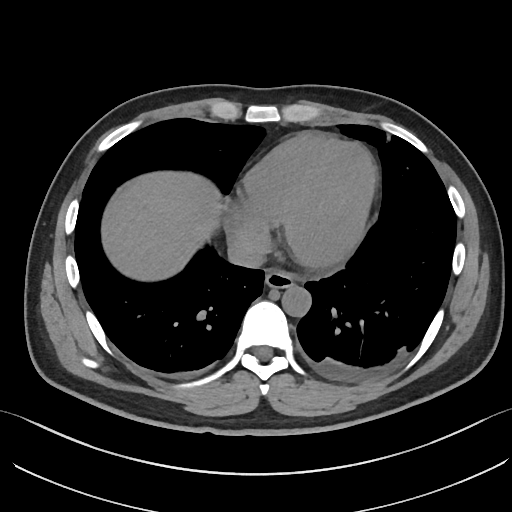

CT, abdomen/pelvis — axial plane, index 222 — abdomen soft-tissue window
Coordinates as <box>x1,y1,x2,y2</box> in pixels.
esophagus: <box>265,269,294,288</box>
liver: <box>101,171,221,280</box>
aorta: <box>281,285,311,317</box>
inferior vena cava: <box>228,237,265,267</box>